Computed tomography, abdomen; axial view; W/L 400/40 HU
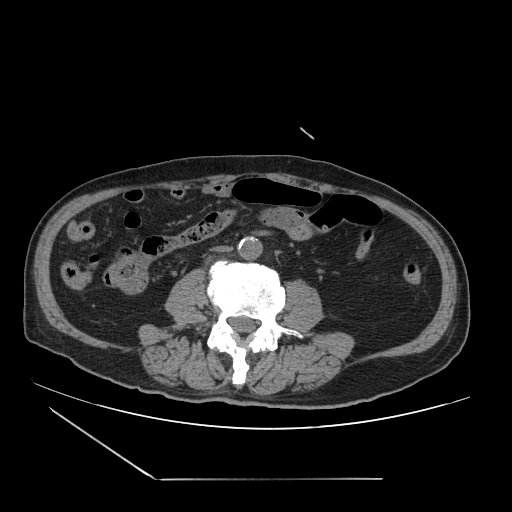
Coordinates as <box>x1,y1,x2,y2</box> in pixels. 2 labeled organs on this slice — aorta at <box>237,237,262,260</box>; inferior vena cava at <box>212,246,231,254</box>.